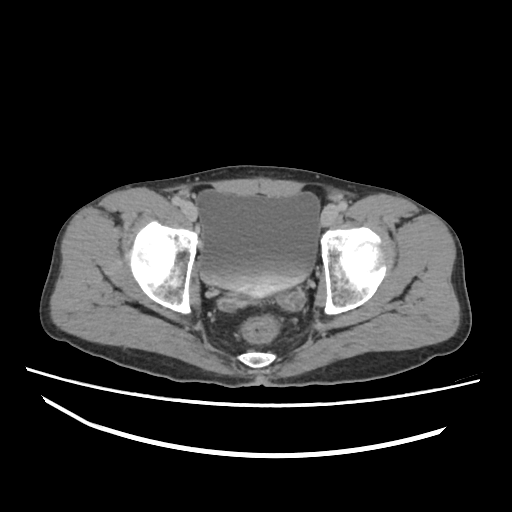 CT abdomen · axial view
Coordinates as <box>x1,y1,x2,y2</box> in pixels.
bladder: <box>198,190,320,296</box>